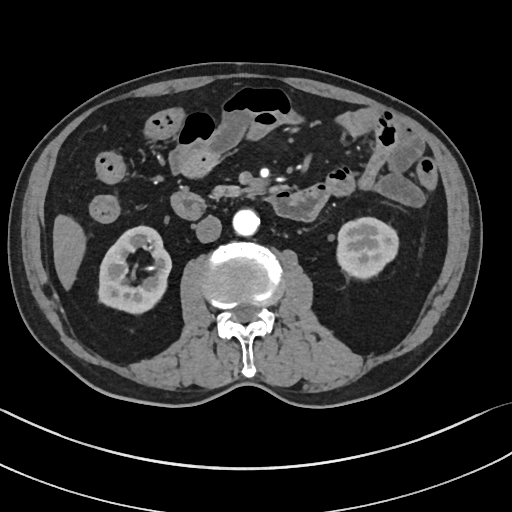
Computed tomography, abdomen — axial view — abdomen soft-tissue window
Each box given as x1,y1,x2,y2.
right kidney: x1=98, y1=225, x2=171, y2=313
left kidney: x1=337, y1=217, x2=398, y2=279
liver: x1=53, y1=214, x2=86, y2=289
aorta: x1=232, y1=209, x2=260, y2=236
inferior vena cava: x1=195, y1=215, x2=221, y2=242
pancreas: x1=210, y1=185, x2=260, y2=199
duodenum: x1=171, y1=184, x2=327, y2=220